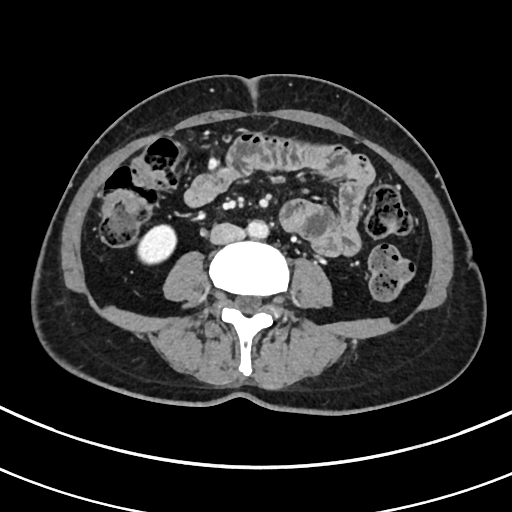
Computed tomography, abdomen; axial view; soft-tissue window (W 400 / L 40); acquired on SOMATOM Force
Boxes are (x1, y1, x2, y2) in pixels. Labeled organs on this slice: right kidney at (136, 223, 176, 263), aorta at (247, 220, 268, 238), inferior vena cava at (209, 222, 245, 245).